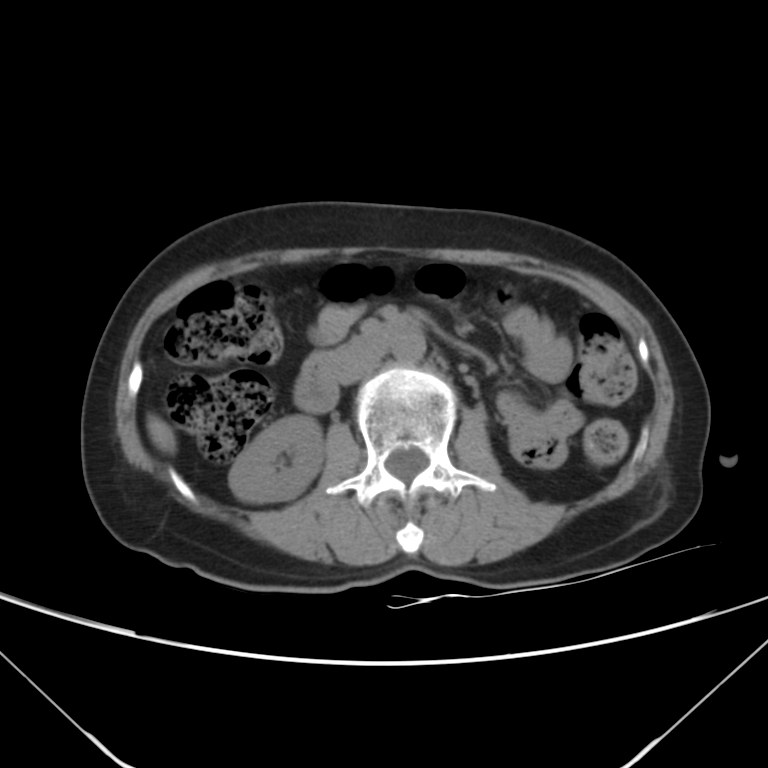 CT abdomen · axial view · soft-tissue window · 768x768 px
Coordinates as <box>x1,y1,x2,y2</box> in pixels. 5 labeled organs on this slice — liver at <box>147,419,175,453</box>; aorta at <box>391,328,425,362</box>; duodenum at <box>293,314,415,413</box>; inferior vena cava at <box>337,353,381,385</box>; right kidney at <box>229,415,324,502</box>.